CT abdomen. axial view. soft-tissue window
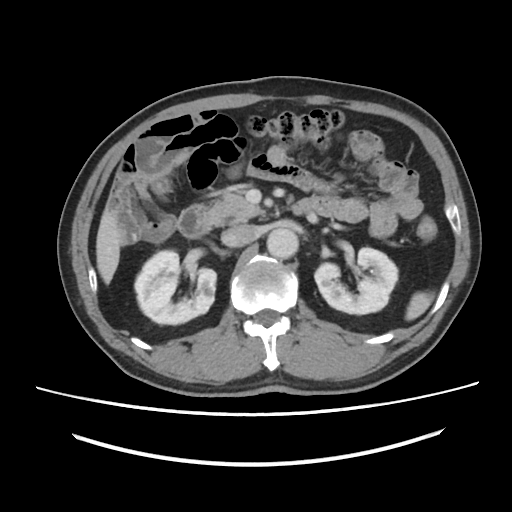 Bounding boxes as [x1, y1, x2, y2] in pixel coordinates.
Organ bounding boxes:
- spleen: [405, 292, 434, 320]
- right kidney: [134, 250, 216, 324]
- left kidney: [314, 248, 397, 314]
- liver: [96, 207, 124, 284]
- aorta: [267, 228, 298, 259]
- inferior vena cava: [221, 224, 255, 247]
- pancreas: [209, 191, 264, 224]
- duodenum: [178, 196, 324, 237]